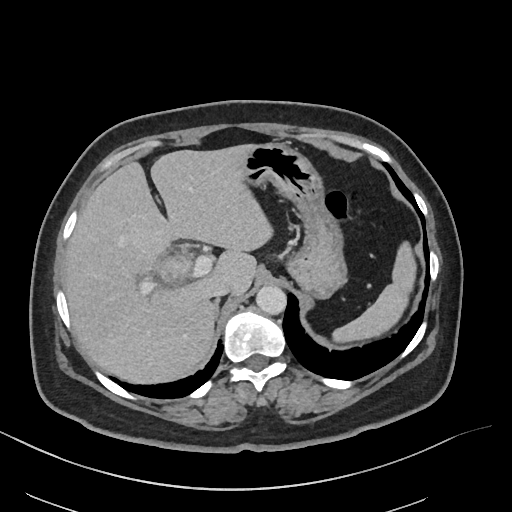
CT abdomen. Axial slice 191/244. soft-tissue window. SOMATOM Force scanner
Coordinates as <box>x1,y1,x2,y2</box> in pixels. 7 labeled organs on this slice — liver at <box>64,144,273,383</box>; inferior vena cava at <box>211,282,231,298</box>; spleen at <box>332,241,416,342</box>; aorta at <box>256,286,286,314</box>; stomach at <box>241,143,346,298</box>; gall bladder at <box>161,260,184,281</box>; right adrenal gland at <box>215,299,219,313</box>.